Computed tomography, abdomen; axial view; 512x512 px; acquired on SOMATOM Force
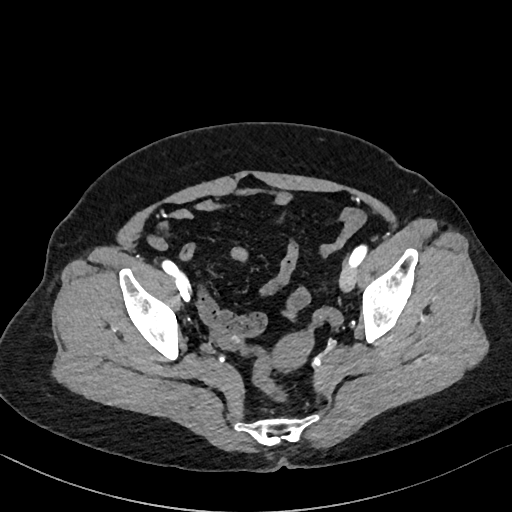

{"organs":{"prostate/uterus":[274,332,313,367]}}